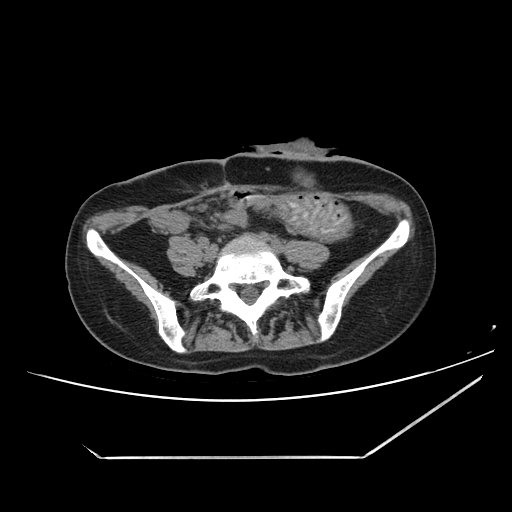 CT, abdomen/pelvis — axial view — soft-tissue window (W 400 / L 40) — scan has 14 labeled organs (that count is for the whole scan; organs this slice misses have no box)
<organs><organ name="stomach" x1="274" y1="195" x2="350" y2="237"/></organs>